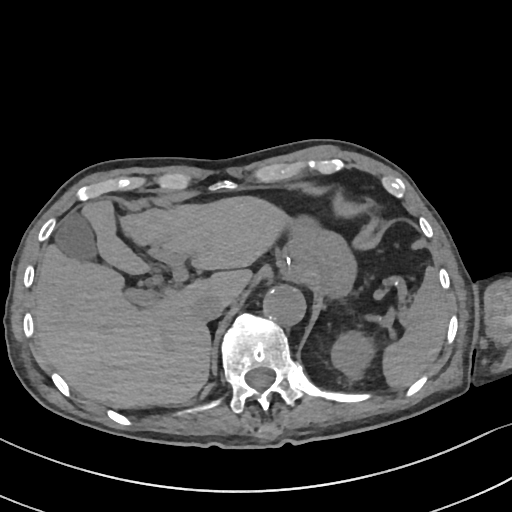 Computed tomography, abdomen · axial view · W/L 400/40 HU · 512x512 px · scan has 15 labeled organs (counted over the whole 3D scan, not this slice; an organ is boxed only where this slice passes through it)
Boxes are (x1, y1, x2, y2) in pixels.
Organ bounding boxes:
- spleen: (382, 268, 449, 388)
- left kidney: (331, 331, 375, 380)
- gall bladder: (55, 211, 97, 261)
- liver: (33, 196, 291, 408)
- stomach: (282, 217, 353, 294)
- aorta: (263, 285, 306, 326)
- inferior vena cava: (192, 295, 226, 322)